Computed tomography, abdomen · axial view · soft-tissue window (W 400 / L 40) · 512x512 px · 60-year-old female patient · acquired on Aquilion ONE
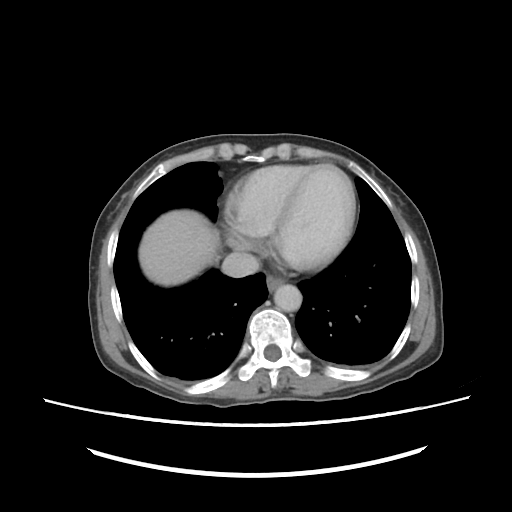

{"organs":{"esophagus":[266,273,282,291],"liver":[138,209,219,285],"aorta":[274,284,302,312],"inferior vena cava":[220,252,261,277]}}